CT, abdomen/pelvis — Axial slice 157/206 — W/L 400/40 HU — scan has 15 labeled organs (a whole-scan count: organs this slice does not pass through have no box)
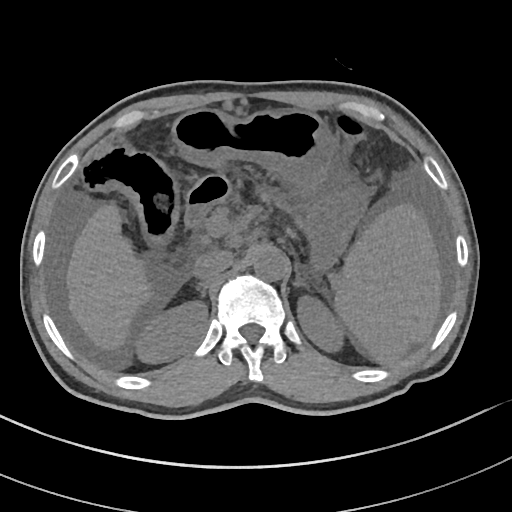

Boxes are (x1, y1, x2, y2) in pixels. Labeled organs on this slice: spleen at (333, 205, 440, 363), right kidney at (135, 303, 207, 362), left kidney at (298, 296, 343, 350), liver at (67, 202, 155, 351), stomach at (171, 108, 369, 273), aorta at (253, 248, 288, 280), inferior vena cava at (193, 250, 233, 282), pancreas at (258, 192, 296, 212), right adrenal gland at (195, 283, 208, 300), left adrenal gland at (294, 272, 311, 293), duodenum at (186, 174, 229, 225).